MRI, abdomen · axial plane, index 70 · percentile-normalized · 576x468 px · Prisma scanner
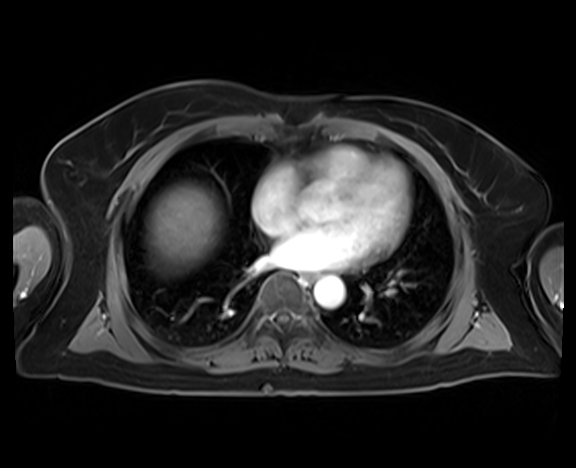 Bounding boxes as [x1, y1, x2, y2] in pixel coordinates. The annotated organs in this slice are: esophagus at [303, 272, 317, 283], liver at [146, 184, 222, 274], aorta at [314, 276, 344, 308].